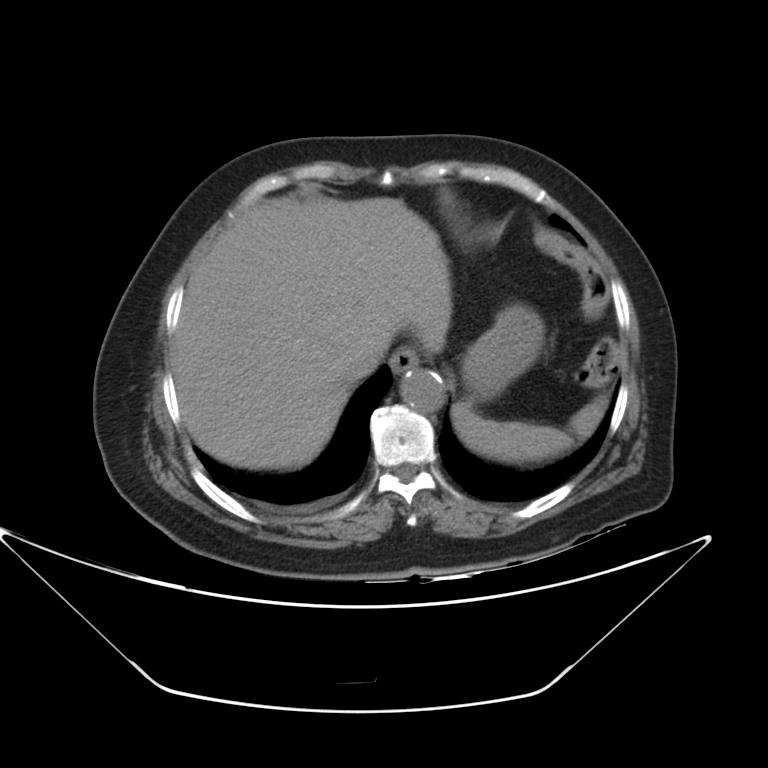

CT, abdomen/pelvis; axial view
One row per box, in pixels: columns x1 and y1 give the top-left corner, x2 and y2 the bottom-right.
| organ | x1 | y1 | x2 | y2 |
|---|---|---|---|---|
| spleen | 453 | 393 | 608 | 464 |
| esophagus | 391 | 348 | 418 | 374 |
| liver | 173 | 197 | 452 | 469 |
| stomach | 461 | 303 | 545 | 397 |
| aorta | 400 | 368 | 444 | 411 |
| inferior vena cava | 344 | 337 | 387 | 379 |